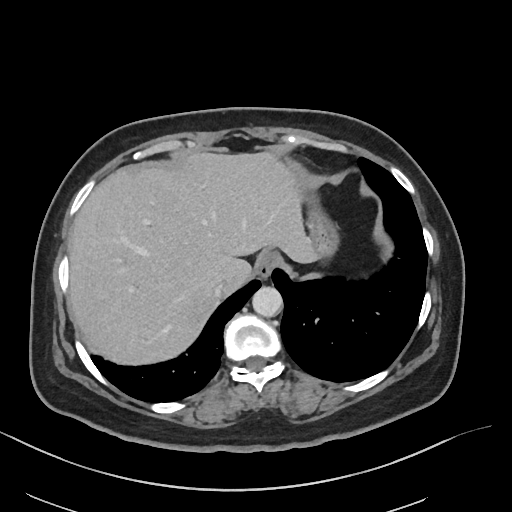

Computed tomography, abdomen — axial plane, index 202 — 512x512 px
<organs><organ name="esophagus" x1="255" y1="251" x2="280" y2="277"/><organ name="liver" x1="69" y1="152" x2="317" y2="364"/><organ name="stomach" x1="306" y1="193" x2="339" y2="257"/><organ name="aorta" x1="252" y1="286" x2="282" y2="317"/><organ name="inferior vena cava" x1="214" y1="280" x2="225" y2="296"/></organs>